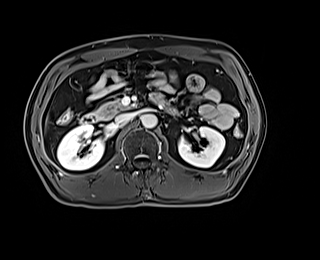 Magnetic resonance imaging, abdomen — Axial slice 9/72 — percentile-normalized — 13 organs annotated in this scan (a whole-scan count: organs this slice does not pass through have no box)
Coordinates as <box>x1,y1,x2,y2</box> in pixels.
Organ bounding boxes:
- right kidney: <box>57,125,104,170</box>
- left kidney: <box>178,126,225,167</box>
- aorta: <box>141,114,157,128</box>
- inferior vena cava: <box>115,113,134,123</box>
- pancreas: <box>96,101,127,118</box>
- duodenum: <box>80,113,101,124</box>